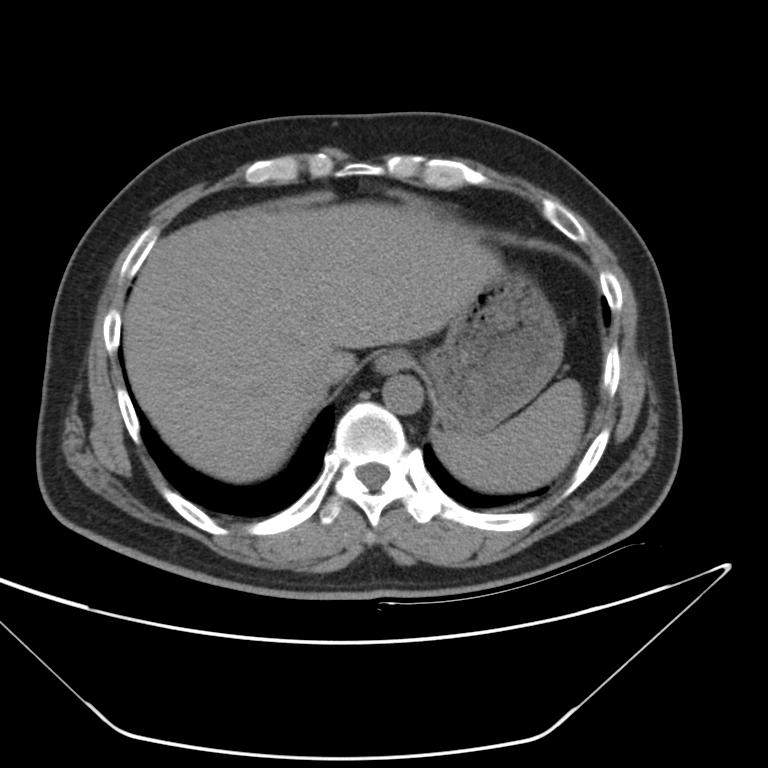

Abdominal CT · axial plane, index 89 · abdomen soft-tissue window · Brilliance16 scanner
Bounding boxes as [x1, y1, x2, y2] in pixel coordinates. The annotated organs in this slice are: inferior vena cava at [291, 361, 334, 392], esophagus at [374, 351, 408, 372], spleen at [433, 379, 583, 490], stomach at [432, 267, 563, 434], aorta at [383, 373, 422, 415], liver at [125, 202, 497, 484].